CT, abdomen/pelvis. axial plane, index 85
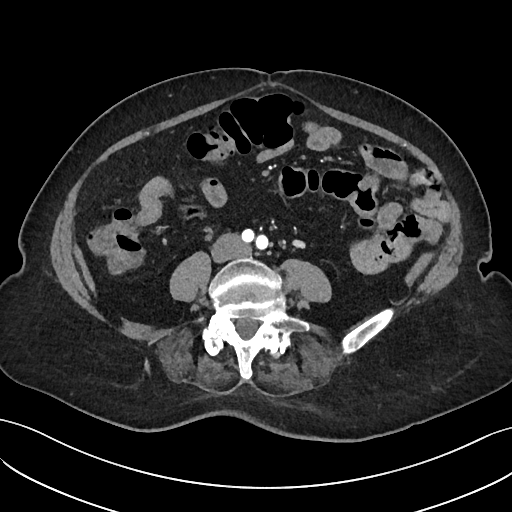 Bounding boxes as [x1, y1, x2, y2] in pixel coordinates. The annotated organs in this slice are: inferior vena cava at [212, 232, 246, 259].